CT, abdomen/pelvis — Axial slice 80/90 — soft-tissue window (W 400 / L 40) — acquired on Aquilion ONE
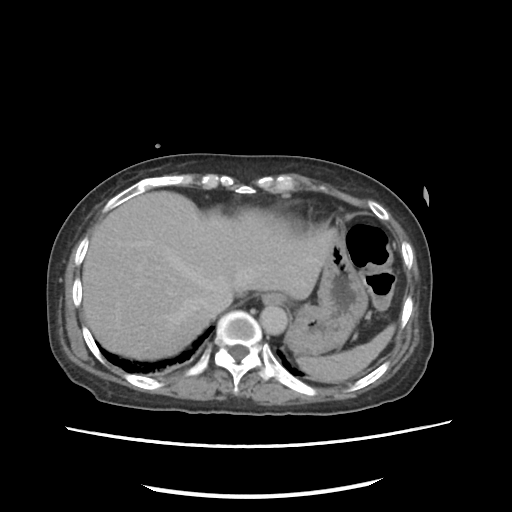
Box edges are left/top/right/bottom in pixels.
Organ bounding boxes:
- spleen: left=297, top=324, right=395, bottom=382
- stomach: left=287, top=242, right=368, bottom=355
- aorta: left=260, top=305, right=287, bottom=335
- inferior vena cava: left=201, top=287, right=233, bottom=316
- liver: left=82, top=191, right=337, bottom=359
- esophagus: left=261, top=293, right=284, bottom=305